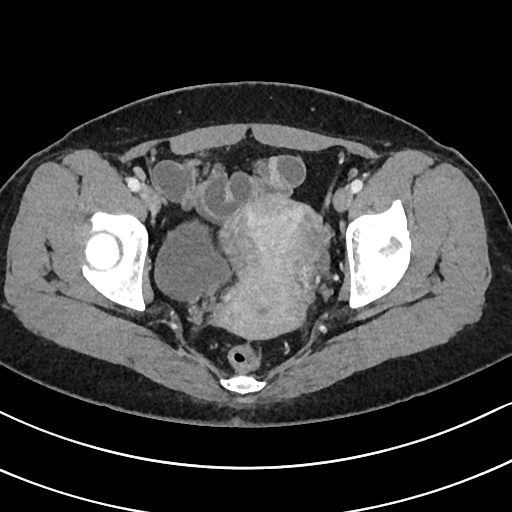
Computed tomography, abdomen — Axial slice 34/206 — 512x512 px
{"organs":{"bladder":[155,222,228,300],"prostate/uterus":[216,194,320,338]}}